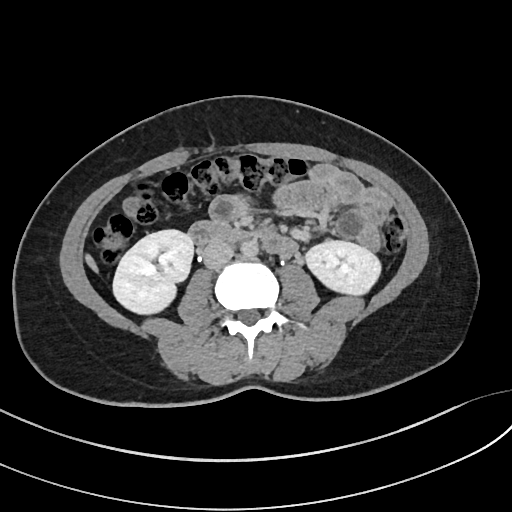 Abdominal CT; axial plane, index 125; 512x512 px; scan has 15 labeled organs (counted over the whole 3D scan, not this slice; an organ is boxed only where this slice passes through it)
{"organs":{"right kidney":[113,229,193,314],"left kidney":[306,240,380,295],"liver":[85,255,97,271],"aorta":[240,240,258,257],"inferior vena cava":[202,242,233,269],"duodenum":[188,221,281,253]}}